CT, abdomen/pelvis · axial view · acquired on SOMATOM Force
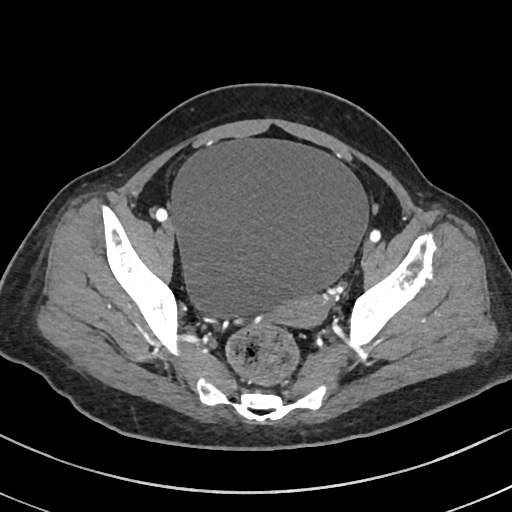 One row per box, in pixels: columns x1 and y1 give the top-left corner, x2 and y2 the bottom-right.
| organ | x1 | y1 | x2 | y2 |
|---|---|---|---|---|
| bladder | 172 | 136 | 371 | 320 |
| prostate/uterus | 279 | 296 | 326 | 325 |